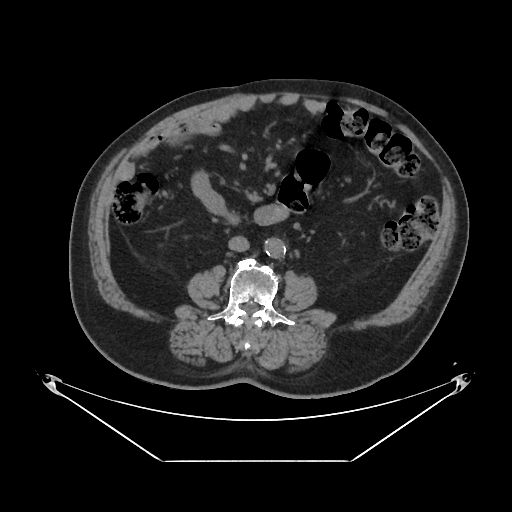

Computed tomography, abdomen. axial view. W/L 400/40 HU. scan has 15 labeled organs (counted over the whole 3D scan, not this slice; an organ is boxed only where this slice passes through it)
{"organs":{"aorta":[265,238,285,258],"inferior vena cava":[228,236,249,251]}}